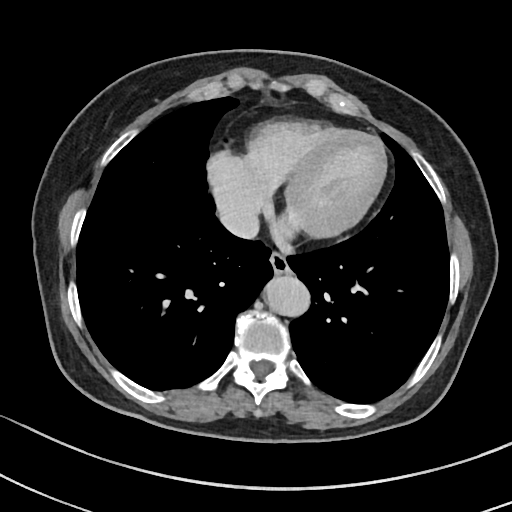

CT of the abdomen reaching into the lower chest, slice just above the liver and spleen · axial view · soft-tissue window · 512x512 px · 15 organs annotated in this scan (counted over the whole 3D scan, not this slice; an organ is boxed only where this slice passes through it)
No part of the heart or lungs is labeled in this dataset, so neither has a box here.
<organs><organ name="esophagus" x1="270" y1="252" x2="290" y2="274"/><organ name="aorta" x1="264" y1="275" x2="309" y2="316"/><organ name="inferior vena cava" x1="219" y1="204" x2="259" y2="238"/></organs>